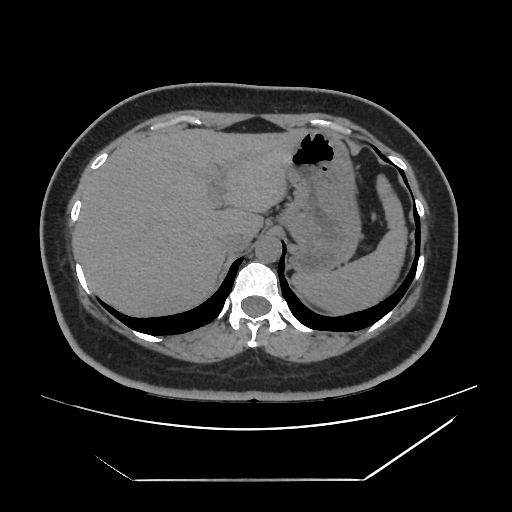
Abdominal CT; Axial slice 269/345; scan has 15 labeled organs (that count is for the whole scan; organs this slice misses have no box)
Bounding boxes as [x1, y1, x2, y2] in pixel coordinates.
spleen: [292, 173, 408, 317]
liver: [75, 128, 302, 317]
stomach: [283, 128, 360, 273]
aorta: [255, 236, 281, 262]
inferior vena cava: [219, 232, 251, 254]